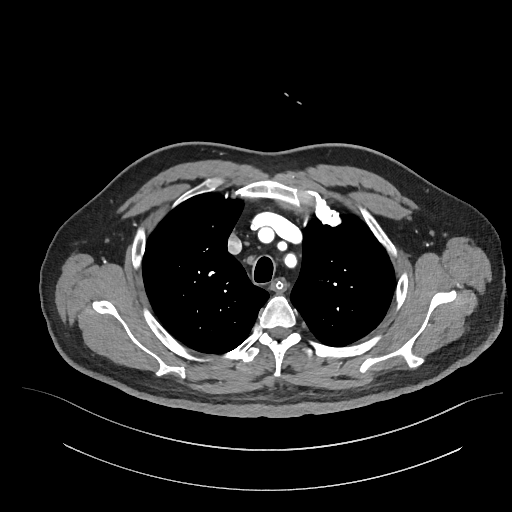

CT of the abdomen extending into the chest, slice through the chest — axial plane, index 297 — soft-tissue window — scan has 15 labeled organs (a whole-scan count: organs this slice does not pass through have no box)
On a slice this high in the chest, this dataset labels only the esophagus and the aorta, and each is boxed only where it is labeled; the heart, lungs and other chest structures are not labeled.
Each box given as x1,y1,x2,y2.
esophagus: x1=273, y1=279, x2=285, y2=291